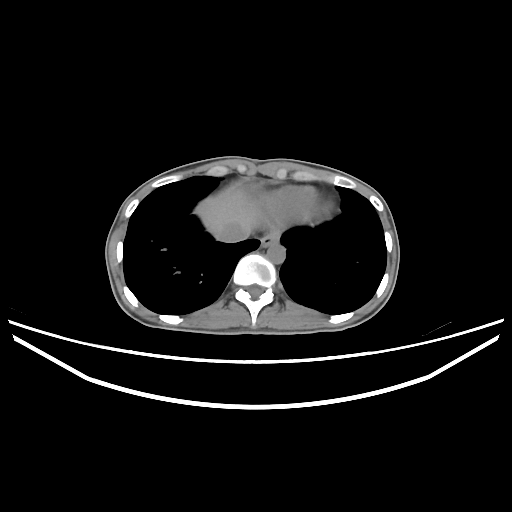
CT abdomen; axial view
Each box given as x1,y1,x2,y2.
Organ bounding boxes:
- inferior vena cava: x1=217, y1=222, x2=249, y2=242
- aorta: x1=266, y1=243, x2=285, y2=263
- esophagus: x1=260, y1=233, x2=279, y2=246
- liver: x1=195, y1=188, x2=256, y2=236